CT abdomen — axial view — soft-tissue window — 512x512 px — SOMATOM Force scanner — scan has 15 labeled organs (a whole-scan count: organs this slice does not pass through have no box)
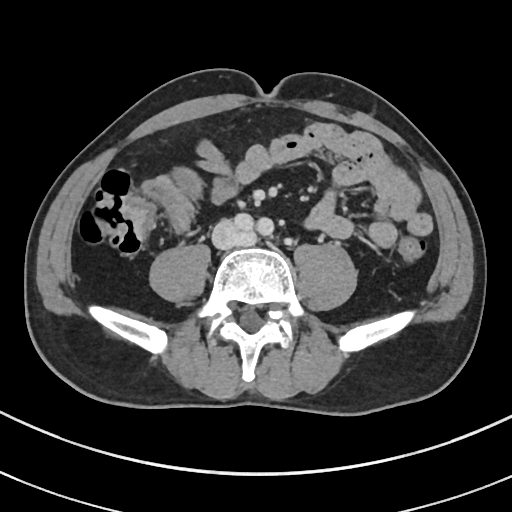

Each box given as x1,y1,x2,y2.
inferior vena cava: x1=211, y1=220, x2=256, y2=248